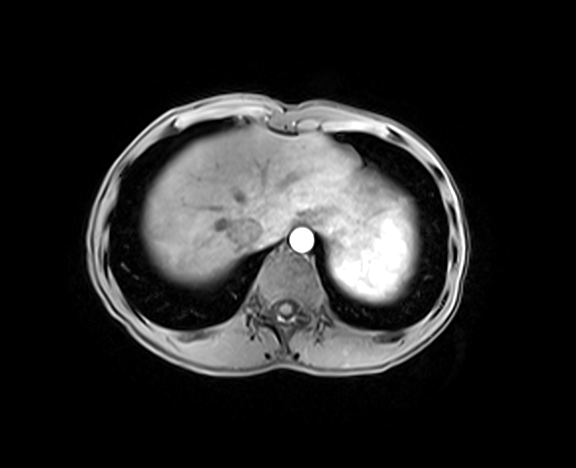 Abdominal MR · axial plane, index 58 · percentile-normalized
Boxes: x1 y1 x2 y2 (pixel coords, space-separated). 6 labeled organs on this slice — spleen at 331 200 415 302; esophagus at 305 215 315 224; liver at 142 126 392 284; stomach at 313 210 376 253; aorta at 290 228 313 252; inferior vena cava at 228 220 263 245.